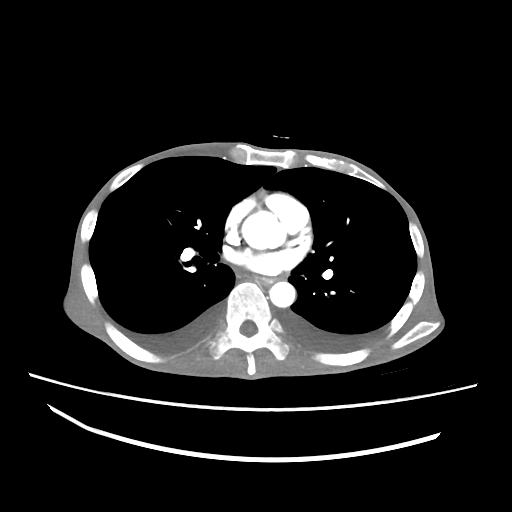

Chest-level slice from an abdominal CT that extends up into the chest · axial view · soft-tissue window
On a slice this high in the chest, this dataset labels only the esophagus and the aorta, and each is boxed only where it is labeled; the heart, lungs and other chest structures are not labeled.
Boxes: x1 y1 x2 y2 (pixel coords, space-separated).
esophagus: 254 276 274 284
aorta: 242 211 285 249
aorta: 269 281 295 307